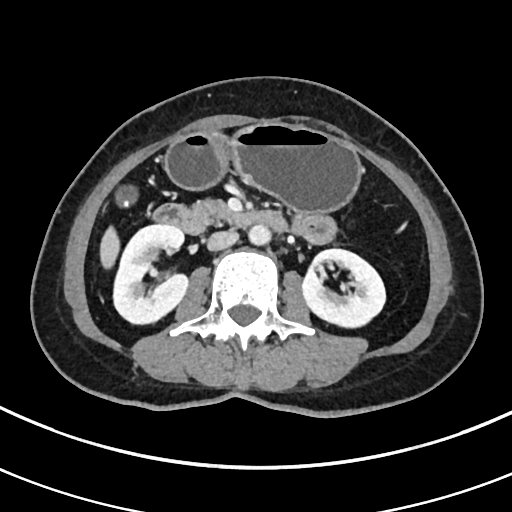
CT abdomen. axial view. soft-tissue window. 15 organs annotated in this scan (a whole-scan count: organs this slice does not pass through have no box)
Bounding boxes in pixels, one row per box: x1, y1 is the top-left corner and x2, y2 the bottom-right.
| organ | x1 | y1 | x2 | y2 |
|---|---|---|---|---|
| right kidney | 112 | 223 | 189 | 324 |
| left kidney | 302 | 248 | 385 | 327 |
| gall bladder | 116 | 187 | 136 | 207 |
| liver | 101 | 226 | 118 | 268 |
| stomach | 164 | 122 | 360 | 210 |
| aorta | 248 | 224 | 270 | 244 |
| inferior vena cava | 207 | 230 | 238 | 250 |
| pancreas | 195 | 199 | 228 | 220 |
| duodenum | 154 | 204 | 282 | 233 |